CT, abdomen/pelvis · axial view
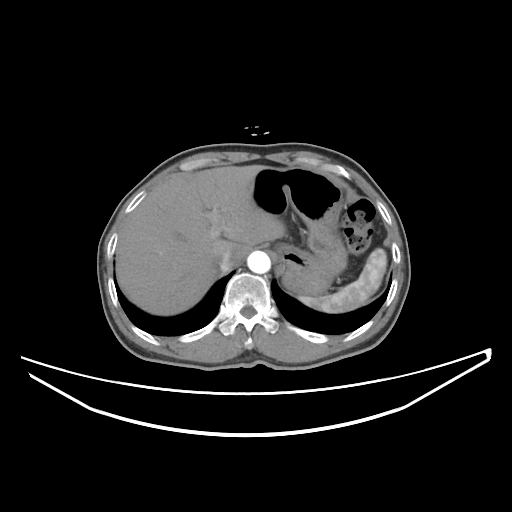
<organs><organ name="spleen" x1="299" y1="248" x2="386" y2="312"/><organ name="liver" x1="116" y1="165" x2="285" y2="315"/><organ name="stomach" x1="251" y1="167" x2="347" y2="295"/><organ name="aorta" x1="247" y1="251" x2="270" y2="273"/><organ name="inferior vena cava" x1="213" y1="253" x2="233" y2="272"/></organs>